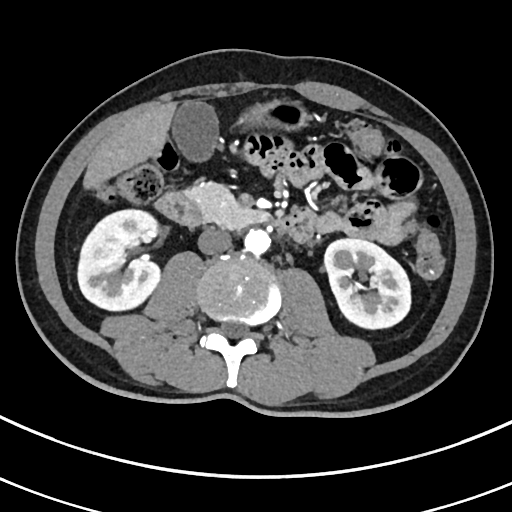

CT abdomen. axial view. 512x512 px. acquired on SOMATOM Force
Organ boxes in pixel coordinates; each row gives the top-left (x1, y1) and bottom-right (x2, y2) corners.
| organ | x1 | y1 | x2 | y2 |
|---|---|---|---|---|
| right kidney | 77 | 208 | 161 | 309 |
| left kidney | 324 | 238 | 409 | 327 |
| gall bladder | 171 | 100 | 217 | 159 |
| liver | 85 | 103 | 174 | 186 |
| stomach | 244 | 101 | 306 | 127 |
| aorta | 244 | 229 | 270 | 254 |
| inferior vena cava | 198 | 227 | 232 | 254 |
| pancreas | 183 | 183 | 266 | 229 |
| duodenum | 157 | 193 | 315 | 242 |